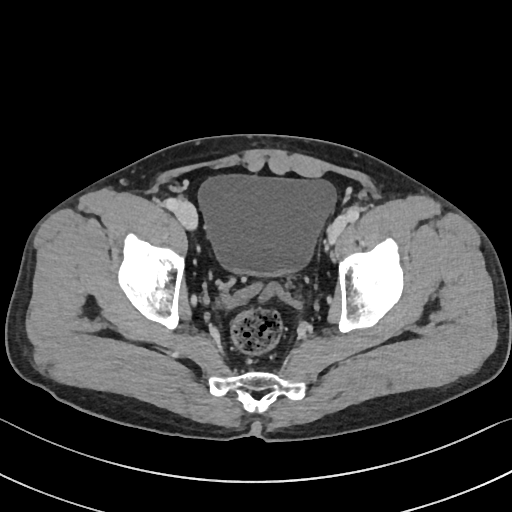
Computed tomography, abdomen · Axial slice 34/291 · acquired on SOMATOM Force
<organs><organ name="bladder" x1="198" y1="175" x2="336" y2="276"/></organs>